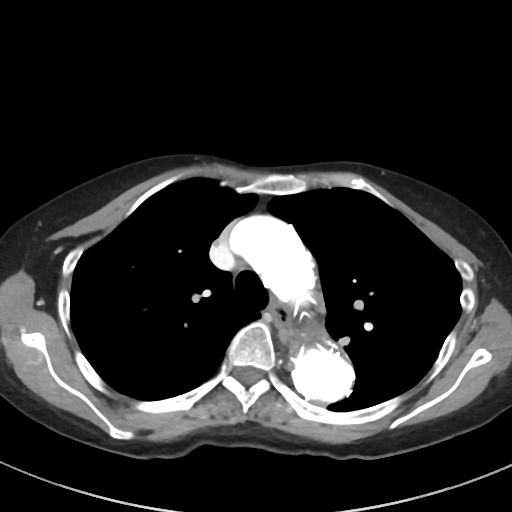
Chest-level CT slice, above the liver and spleen — axial plane, index 100 — soft-tissue window (W 400 / L 40) — 512x512 px
At this level of the chest this dataset labels only the esophagus and the aorta, and each is boxed only where it is labeled; the heart and lungs are never labeled.
Bounding boxes in pixels, one row per box: x1, y1 is the top-left corner and x2, y2 the bottom-right.
| organ | x1 | y1 | x2 | y2 |
|---|---|---|---|---|
| aorta | 230 | 215 | 314 | 302 |
| aorta | 291 | 345 | 353 | 403 |
| esophagus | 270 | 307 | 292 | 337 |